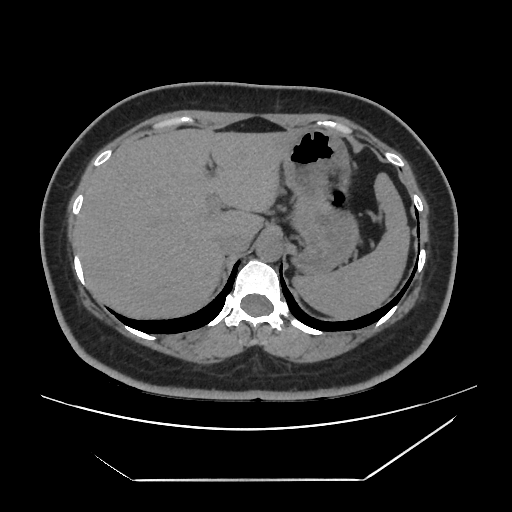
Computed tomography, abdomen; axial view
{"organs":{"aorta":[256,235,283,261],"spleen":[295,172,410,320],"liver":[76,127,298,320],"inferior vena cava":[219,232,251,254],"stomach":[281,127,357,272]}}